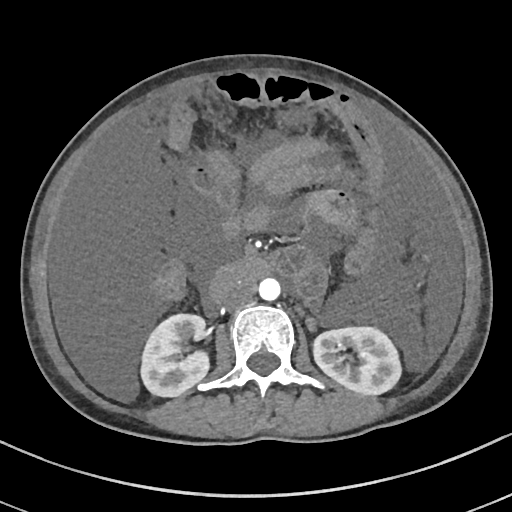

Abdominal CT — axial view — 512x512 px — scan has 15 labeled organs (counted over the whole 3D scan, not this slice; an organ is boxed only where this slice passes through it)
Boxes are (x1, y1, x2, y2) in pixels.
Organ bounding boxes:
- right kidney: (142, 313, 209, 396)
- left kidney: (312, 327, 399, 394)
- aorta: (258, 277, 280, 300)
- inferior vena cava: (223, 284, 254, 308)
- duodenum: (212, 258, 268, 296)